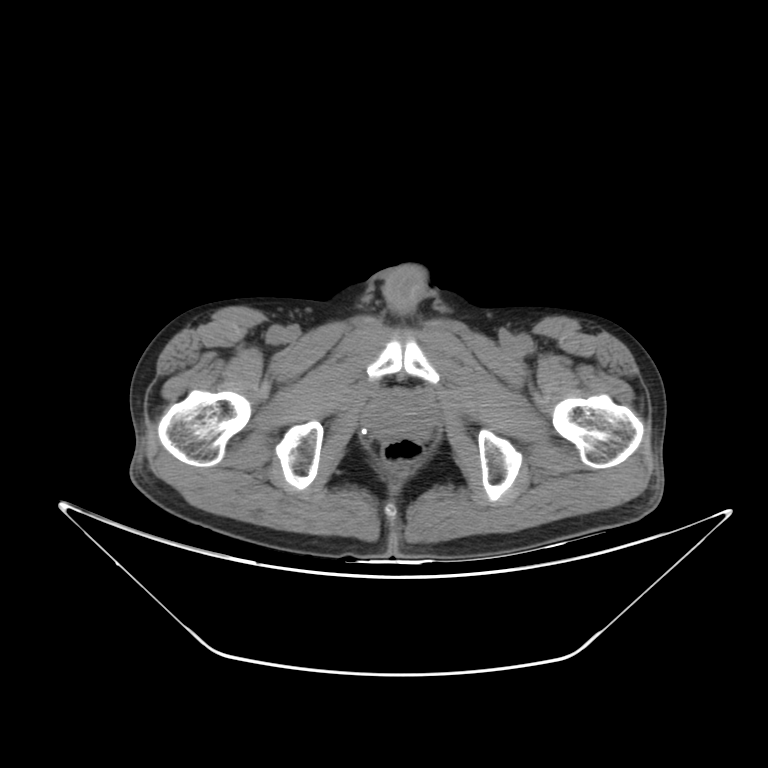

CT abdomen; axial view; soft-tissue window (W 400 / L 40)
One row per box, in pixels: columns x1 and y1 give the top-left corner, x2 and y2 the bottom-right.
| organ | x1 | y1 | x2 | y2 |
|---|---|---|---|---|
| prostate/uterus | 367 | 393 | 433 | 439 |